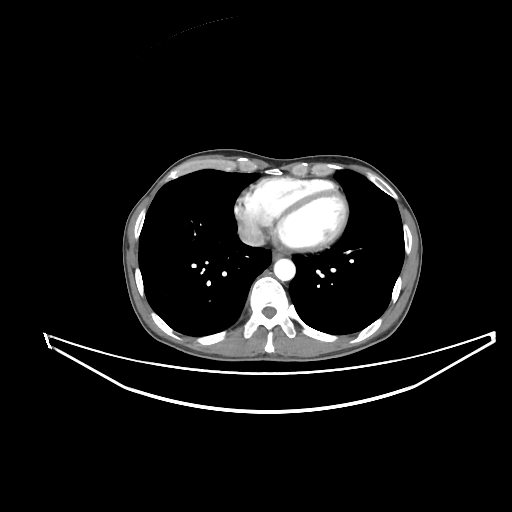
CT of the abdomen reaching into the lower chest, slice just above the liver and spleen; axial view; 52-year-old male patient; acquired on Aquilion ONE
Of the structures in the chest, this dataset labels only the esophagus, the aorta and the inferior vena cava; the heart and lungs have no label.
Box edges are left/top/right/bottom in pixels.
Organ bounding boxes:
- esophagus: left=272, top=249, right=284, bottom=259
- aorta: left=274, top=259, right=295, bottom=280
- inferior vena cava: left=239, top=227, right=264, bottom=246